Computed tomography, abdomen; axial view; soft-tissue window
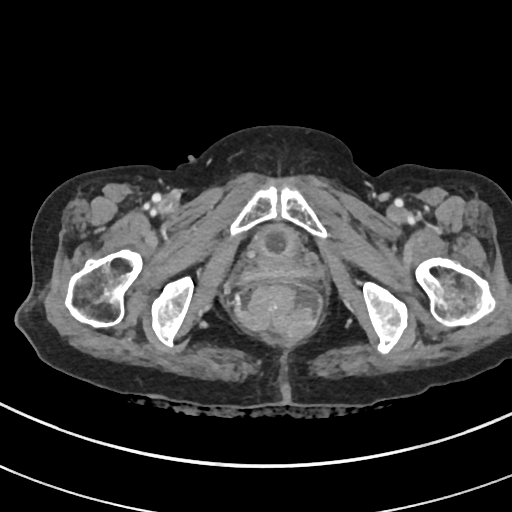 Each box given as x1,y1,x2,y2.
Organ bounding boxes:
- bladder: x1=252, y1=225, x2=299, y2=262